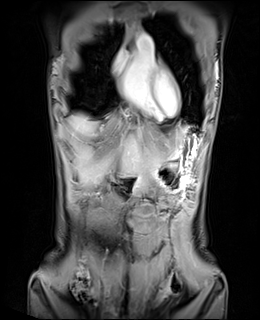 Abdominal MRI; coronal view; Prisma scanner; 13 organs annotated in this scan (counted over the whole 3D scan, not this slice; an organ is boxed only where this slice passes through it)
One row per box, in pixels: columns x1 and y1 give the top-left corner, x2 and y2 the bottom-right.
| organ | x1 | y1 | x2 | y2 |
|---|---|---|---|---|
| duodenum | 113 | 174 | 140 | 186 |
| liver | 69 | 114 | 187 | 185 |
| stomach | 135 | 133 | 201 | 189 |